CT abdomen — axial view — abdomen soft-tissue window — 512x512 px — SOMATOM Force scanner
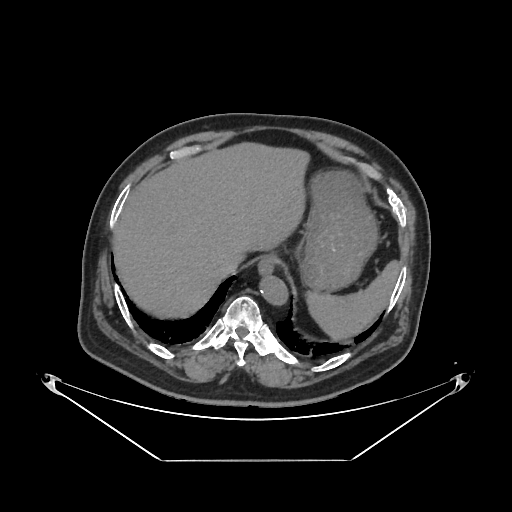 Bounding boxes as [x1, y1, x2, y2] in pixel coordinates.
spleen: [306, 259, 401, 341]
esophagus: [258, 254, 276, 274]
liver: [112, 141, 308, 319]
stomach: [273, 169, 377, 292]
aorta: [259, 274, 287, 304]
inferior vena cava: [219, 255, 240, 274]